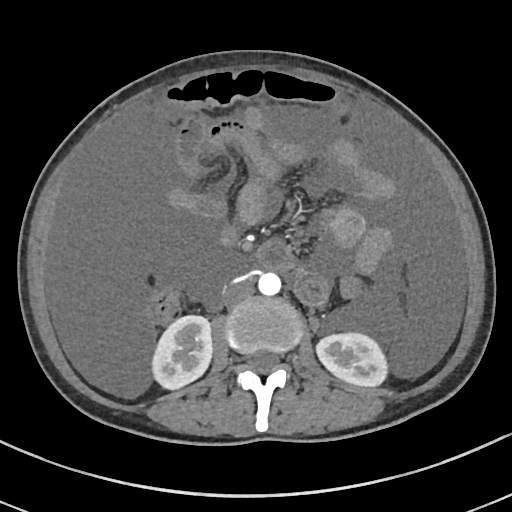 Abdominal CT. Axial slice 129/237. abdomen soft-tissue window. 512x512 px
<organs><organ name="right kidney" x1="152" y1="315" x2="212" y2="389"/><organ name="left kidney" x1="316" y1="333" x2="386" y2="386"/><organ name="aorta" x1="258" y1="272" x2="281" y2="295"/><organ name="inferior vena cava" x1="223" y1="280" x2="254" y2="305"/></organs>